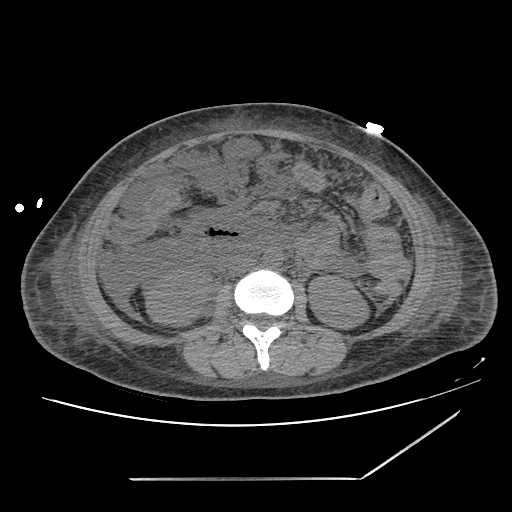
Computed tomography, abdomen; axial view; 512x512 px
Boxes: x1:y1:x2:y2 in pixels.
right kidney: 145:269:210:325
left kidney: 308:276:368:328
inferior vena cava: 228:256:254:274
aorta: 263:249:283:267